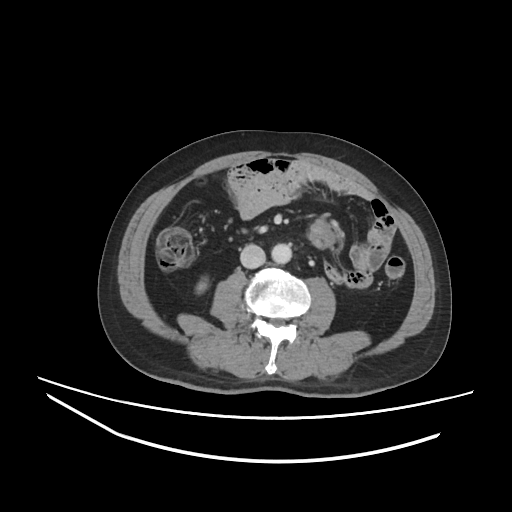 Abdominal CT; axial view; 54-year-old male patient; scan has 15 labeled organs (a whole-scan count: organs this slice does not pass through have no box)
{"organs":{"aorta":[271,243,291,263],"inferior vena cava":[240,244,265,268],"right kidney":[196,278,207,293]}}